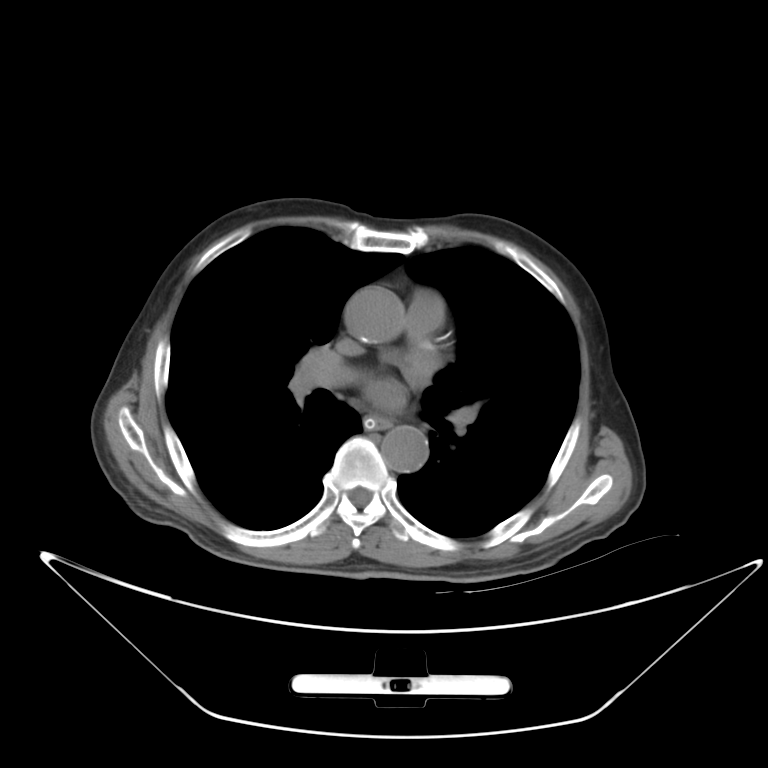 Lower-chest slice from an abdominal CT, just above the liver and spleen · axial plane, index 94 · soft-tissue window (W 400 / L 40) · Brilliance16 scanner
The heart and lungs are never labeled in this dataset, so they have no box on this slice.
Organ boxes in pixel coordinates; each row gives the top-left (x1, y1) and bottom-right (x2, y2) corners.
| organ | x1 | y1 | x2 | y2 |
|---|---|---|---|---|
| esophagus | 365 | 417 | 389 | 429 |
| aorta | 381 | 425 | 428 | 472 |